Computed tomography, abdomen. axial view. soft-tissue window (W 400 / L 40). 45-year-old female patient
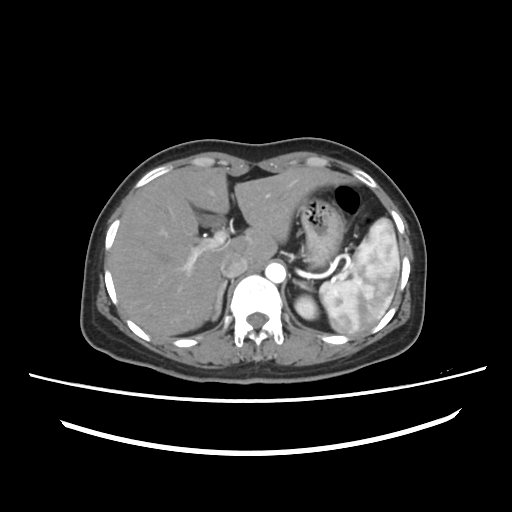

<organs><organ name="spleen" x1="319" y1="218" x2="399" y2="334"/><organ name="left kidney" x1="295" y1="295" x2="318" y2="319"/><organ name="gall bladder" x1="197" y1="215" x2="211" y2="224"/><organ name="liver" x1="110" y1="167" x2="349" y2="338"/><organ name="stomach" x1="297" y1="194" x2="345" y2="266"/><organ name="aorta" x1="265" y1="263" x2="285" y2="282"/><organ name="inferior vena cava" x1="220" y1="254" x2="247" y2="277"/><organ name="right adrenal gland" x1="212" y1="280" x2="227" y2="320"/><organ name="left adrenal gland" x1="293" y1="279" x2="312" y2="289"/></organs>